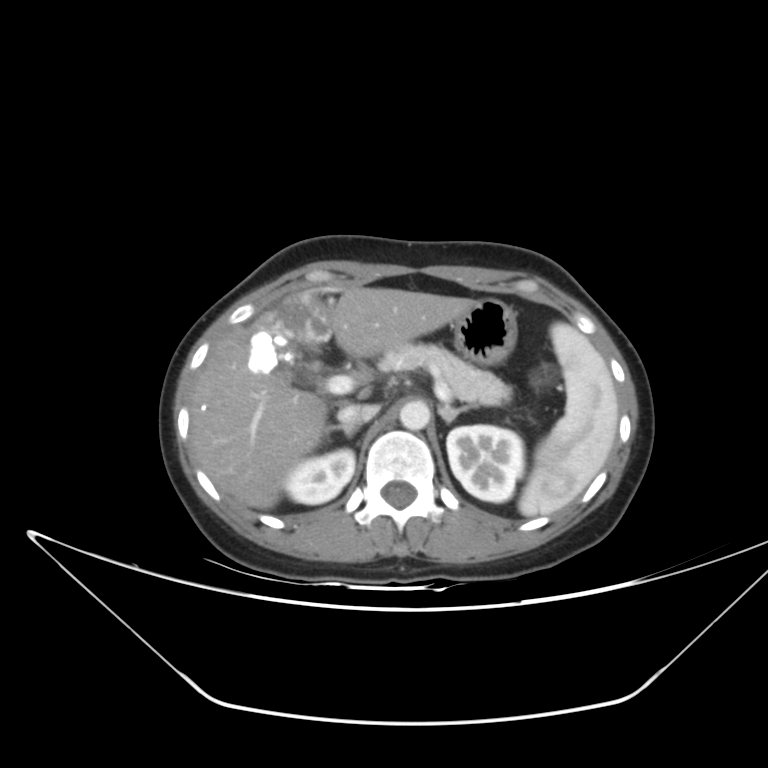 CT abdomen · axial view · 768x768 px
Box edges are left/top/right/bottom in pixels. Labeled organs on this slice: spleen at left=518, top=322, right=618, bottom=516, right kidney at left=283, top=449, right=355, bottom=504, left kidney at left=446, top=425, right=524, bottom=502, gall bladder at left=296, top=344, right=315, bottom=383, liver at left=190, top=287, right=473, bottom=509, stomach at left=452, top=298, right=517, bottom=364, aorta at left=399, top=399, right=430, bottom=430, inferior vena cava at left=337, top=404, right=379, bottom=426, pancreas at left=378, top=342, right=511, bottom=405, right adrenal gland at left=320, top=425, right=357, bottom=438, left adrenal gland at left=438, top=403, right=478, bottom=423.